Abdominal CT — axial view — soft-tissue window (W 400 / L 40)
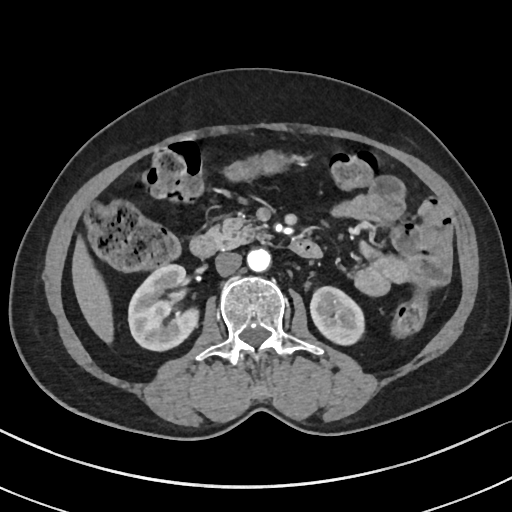

Boxes: x1:y1:x2:y2 in pixels.
Organ bounding boxes:
- right kidney: 128:263:199:349
- left kidney: 311:287:365:344
- liver: 71:240:113:342
- stomach: 227:152:285:177
- aorta: 246:248:270:271
- inferior vena cava: 215:252:241:276
- pancreas: 208:214:263:247
- duodenum: 190:232:321:257